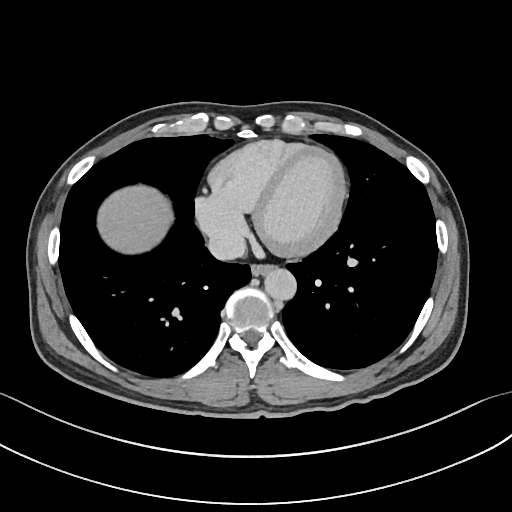

CT, abdomen/pelvis. axial plane, index 224. 512x512 px. SOMATOM Force scanner
Box edges are left/top/right/bottom in pixels.
inferior vena cava: left=207, top=231, right=247, bottom=261
aorta: left=262, top=267, right=296, bottom=299
esophagus: left=251, top=263, right=273, bottom=275
liver: left=98, top=187, right=172, bottom=255